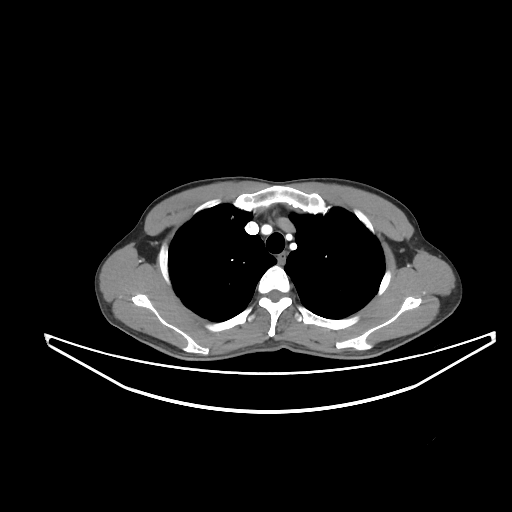

Chest-level CT slice, above the liver and spleen; Axial slice 124/134; soft-tissue window; 512x512 px
At this level of the chest this dataset labels only the esophagus and the aorta, and each is boxed only where it is labeled; the heart and lungs are never labeled.
{"organs":{"esophagus":[279,254,284,265]}}